CT abdomen · axial view · soft-tissue window (W 400 / L 40)
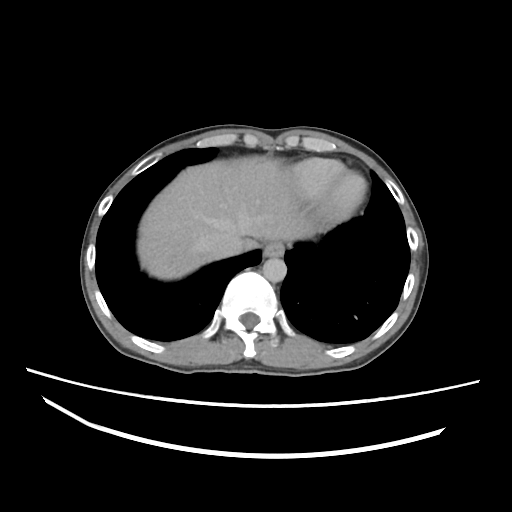

Bounding boxes in pixels, one row per box: x1, y1 is the top-left corner and x2, y2 the bottom-right.
| organ | x1 | y1 | x2 | y2 |
|---|---|---|---|---|
| esophagus | 262 | 242 | 282 | 256 |
| aorta | 262 | 257 | 286 | 281 |
| liver | 138 | 156 | 313 | 279 |
| inferior vena cava | 205 | 225 | 244 | 256 |